CT abdomen · axial view · soft-tissue window (W 400 / L 40) · scan has 15 labeled organs (a whole-scan count: organs this slice does not pass through have no box)
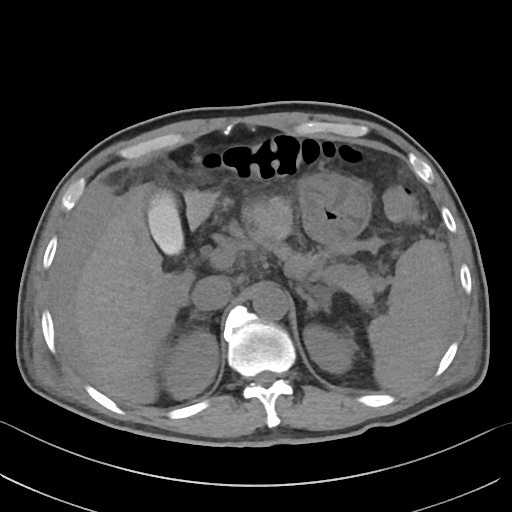

Coordinates as <box>x1,y1,x2,y2</box> in pixels.
spleen: <box>368,239,451,389</box>
right kidney: <box>160,328,218,399</box>
left kidney: <box>303,324,354,373</box>
gall bladder: <box>148,190,182,253</box>
liver: <box>77,189,292,382</box>
stomach: <box>298,173,370,245</box>
aorta: <box>253,286,288,320</box>
inferior vena cava: <box>191,276,231,310</box>
pancreas: <box>247,232,374,304</box>
right adrenal gland: <box>190,310,204,319</box>
left adrenal gland: <box>297,287,330,313</box>